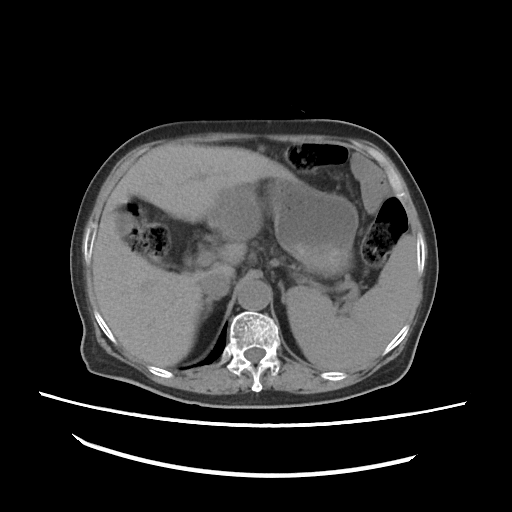

Abdominal CT · axial view · abdomen soft-tissue window · 512x512 px
<organs><organ name="spleen" x1="286" y1="234" x2="418" y2="370"/><organ name="gall bladder" x1="112" y1="212" x2="131" y2="238"/><organ name="liver" x1="92" y1="144" x2="298" y2="366"/><organ name="stomach" x1="264" y1="179" x2="357" y2="275"/><organ name="aorta" x1="237" y1="278" x2="271" y2="310"/><organ name="inferior vena cava" x1="203" y1="275" x2="231" y2="297"/><organ name="right adrenal gland" x1="200" y1="298" x2="215" y2="322"/><organ name="left adrenal gland" x1="280" y1="282" x2="284" y2="299"/></organs>